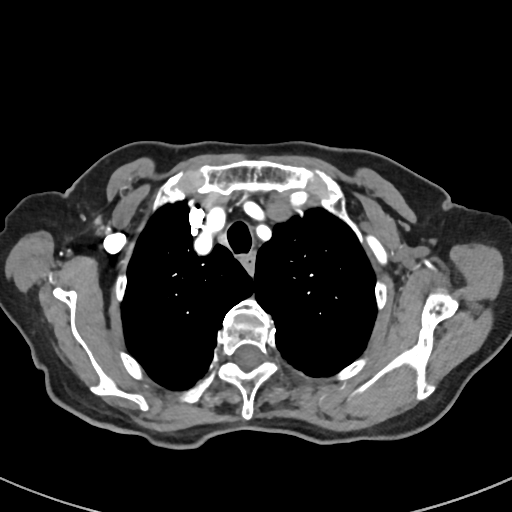
CT of the abdomen extending into the chest, slice through the chest. axial view. 512x512 px. SOMATOM Force scanner
At this level of the chest this dataset labels only the esophagus and the aorta, and each is boxed only where it is labeled; the heart and lungs are never labeled. Coordinates as <box>x1,y1,x2,y2</box> in pixels. 1 labeled organ on this slice — esophagus at <box>240,252,255,274</box>.